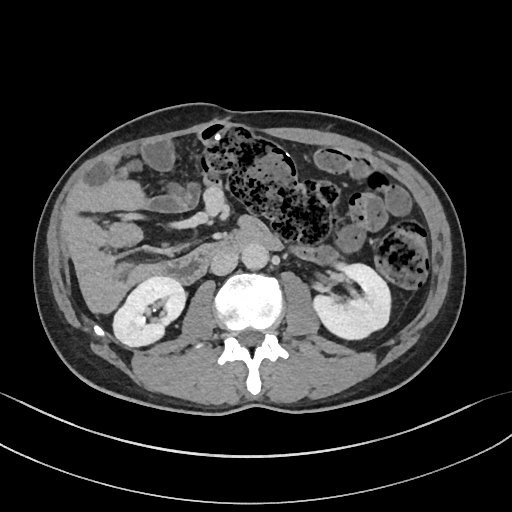
CT abdomen — Axial slice 146/230 — soft-tissue window (W 400 / L 40) — 512x512 px
<organs><organ name="right kidney" x1="112" y1="276" x2="185" y2="347"/><organ name="left kidney" x1="311" y1="264" x2="389" y2="340"/><organ name="duodenum" x1="149" y1="231" x2="283" y2="283"/><organ name="aorta" x1="241" y1="244" x2="268" y2="269"/><organ name="inferior vena cava" x1="210" y1="251" x2="238" y2="275"/></organs>